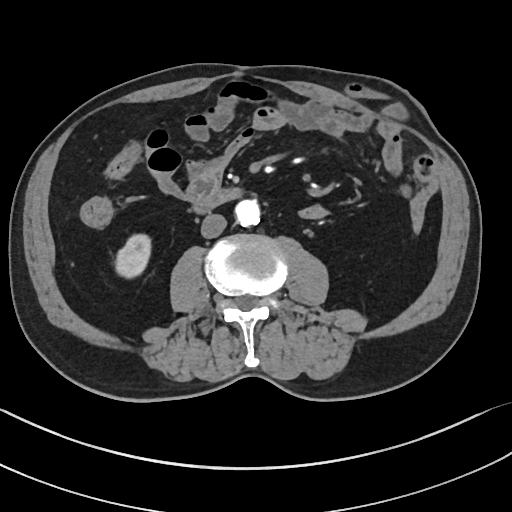
Abdominal CT · axial view
Each box given as x1,y1,x2,y2. 4 labeled organs on this slice — inferior vena cava at x1=200, y1=214, x2=226, y2=238; aorta at x1=234, y1=200, x2=260, y2=226; right kidney at x1=116, y1=235, x2=150, y2=276; duodenum at x1=193, y1=186, x2=243, y2=214.